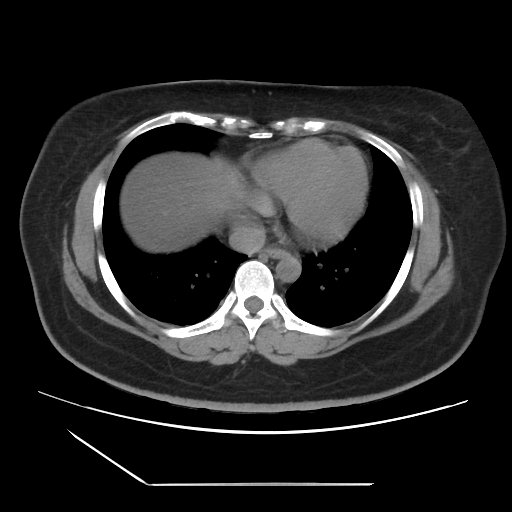

Abdominal CT. axial view. 512x512 px. 15 organs annotated in this scan (that count is for the whole scan; organs this slice misses have no box)
{"organs":{"esophagus":[262,247,288,258],"liver":[120,152,246,252],"aorta":[276,254,301,282],"inferior vena cava":[229,223,265,254]}}